CT, abdomen/pelvis. axial view. 768x768 px
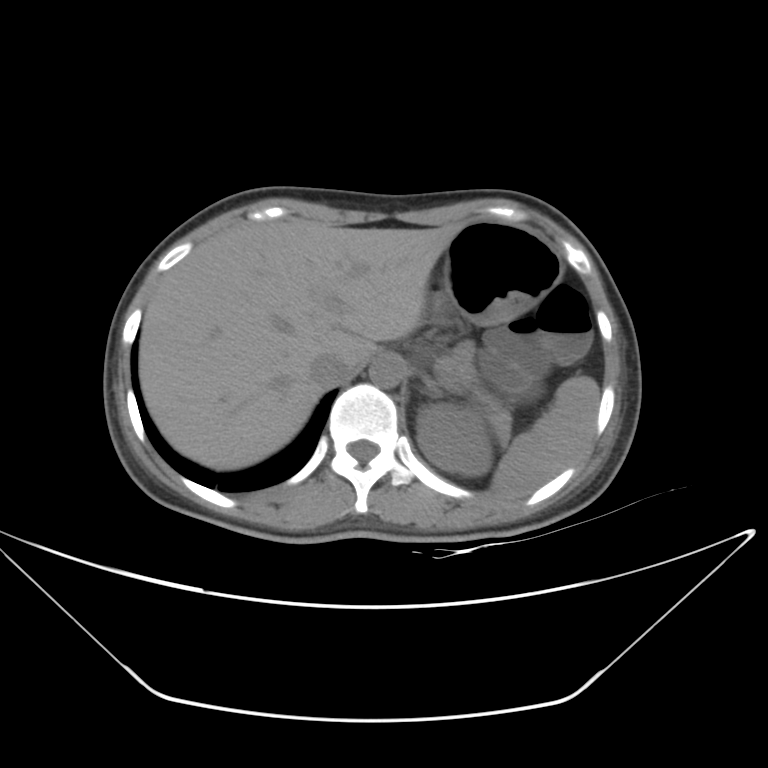

{"organs":{"left kidney":[416,404,493,476],"stomach":[429,220,561,325],"pancreas":[441,342,509,443],"left adrenal gland":[427,391,440,393],"aorta":[368,355,403,387],"spleen":[491,375,599,497],"inferior vena cava":[310,352,354,386],"liver":[139,220,459,469]}}